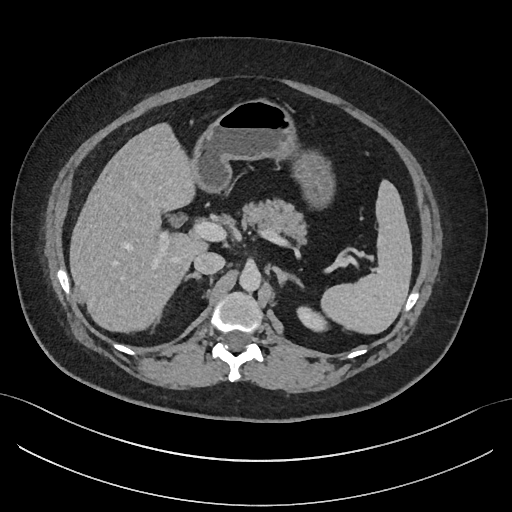

Computed tomography, abdomen · axial view · W/L 400/40 HU · 512x512 px · 15 organs annotated in this scan (that count is for the whole scan; organs this slice misses have no box)
One row per box, in pixels: columns x1 and y1 give the top-left corner, x2 and y2 the bottom-right.
| organ | x1 | y1 | x2 | y2 |
|---|---|---|---|---|
| spleen | 319 | 180 | 411 | 334 |
| left kidney | 296 | 307 | 324 | 329 |
| liver | 70 | 121 | 206 | 333 |
| stomach | 190 | 98 | 332 | 204 |
| aorta | 239 | 266 | 261 | 292 |
| inferior vena cava | 193 | 250 | 224 | 274 |
| pancreas | 243 | 200 | 304 | 242 |
| right adrenal gland | 183 | 273 | 202 | 283 |
| left adrenal gland | 272 | 266 | 304 | 289 |